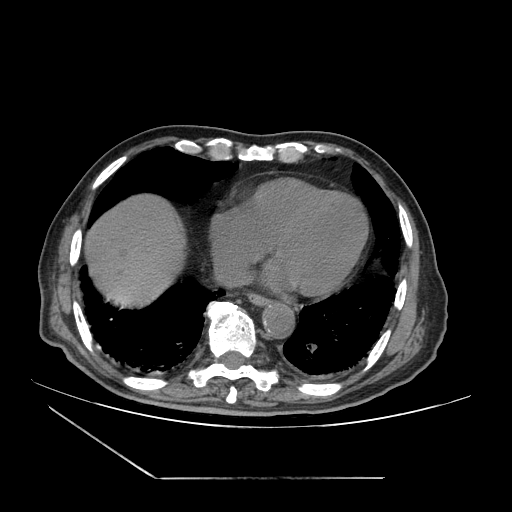

Abdominal CT · axial plane, index 170 · SOMATOM Force scanner
{"organs":{"esophagus":[248,293,270,305],"liver":[84,194,186,307],"aorta":[262,302,294,338],"inferior vena cava":[213,261,249,287]}}